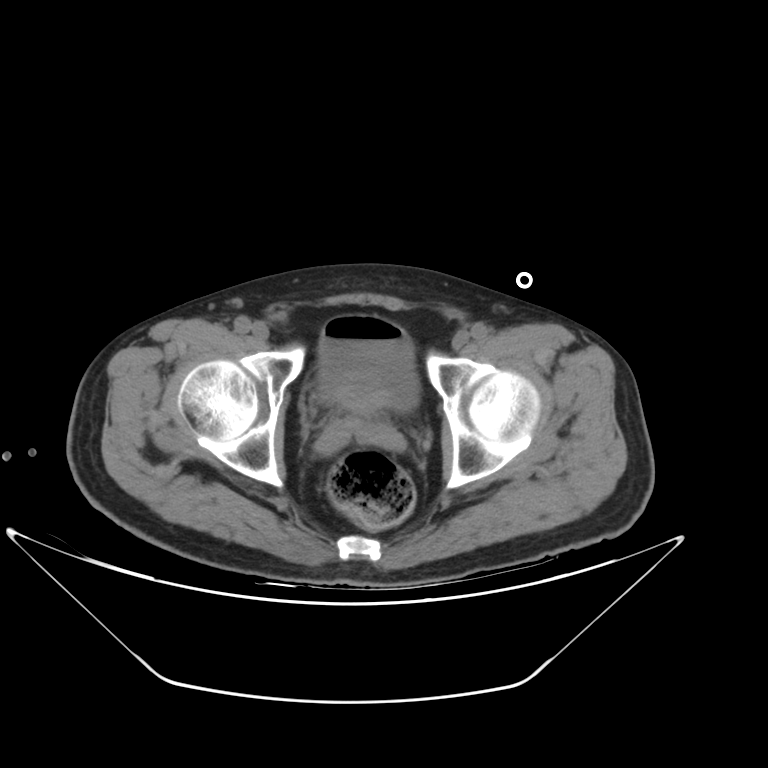

CT, abdomen/pelvis — axial plane, index 17 — abdomen soft-tissue window — 768x768 px — 65-year-old male patient
Each box given as x1,y1,x2,y2.
bladder: x1=318, y1=315, x2=420, y2=411
prostate/uterus: x1=333, y1=385, x2=382, y2=417